CT, abdomen/pelvis · axial view · W/L 400/40 HU
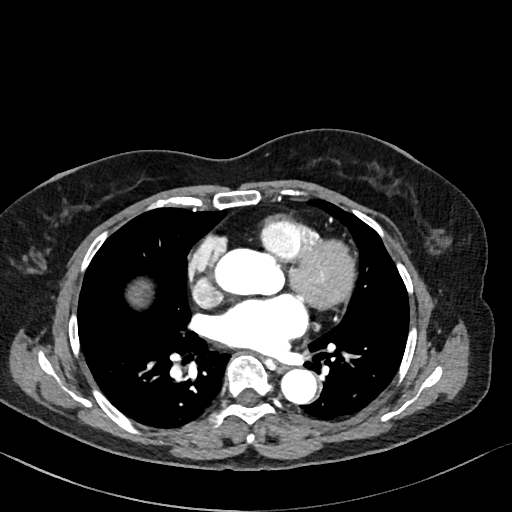

Box edges are left/top/right/bottom in pixels.
Organ bounding boxes:
- esophagus: left=274, top=362, right=286, bottom=371
- liver: left=126, top=278, right=153, bottom=308
- aorta: left=280, top=368, right=317, bottom=404